CT, abdomen/pelvis; axial view; soft-tissue window; 512x512 px
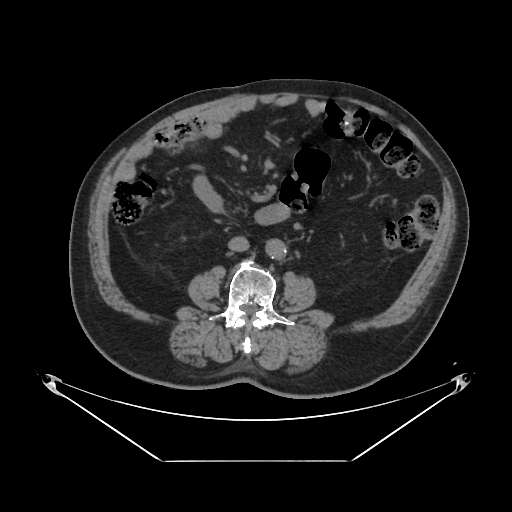

Boxes: x1 y1 x2 y2 (pixel coords, space-separated).
inferior vena cava: 228 236 249 251
aorta: 265 238 285 258